Abdominal CT reaching into the chest; this slice is in the chest · axial view · 512x512 px
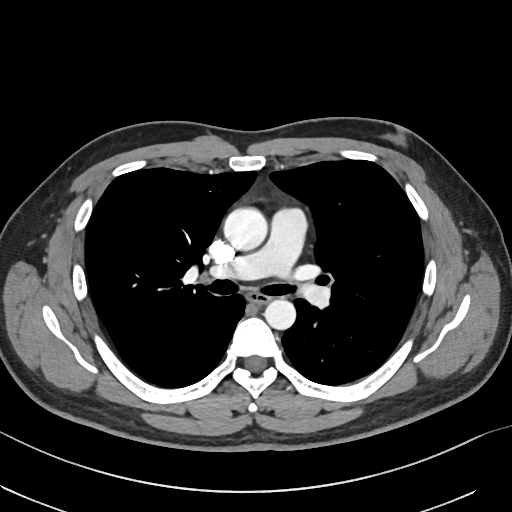

At this level of the chest this dataset labels only the esophagus and the aorta, and each is boxed only where it is labeled; the heart and lungs are never labeled. Box edges are left/top/right/bottom in pixels. Labeled organs on this slice: esophagus at left=248, top=293, right=270, bottom=303, aorta at left=224, top=207, right=267, bottom=250, aorta at left=265, top=299, right=295, bottom=329.